CT abdomen · Axial slice 39/122 · soft-tissue window · 512x512 px · acquired on SOMATOM Force
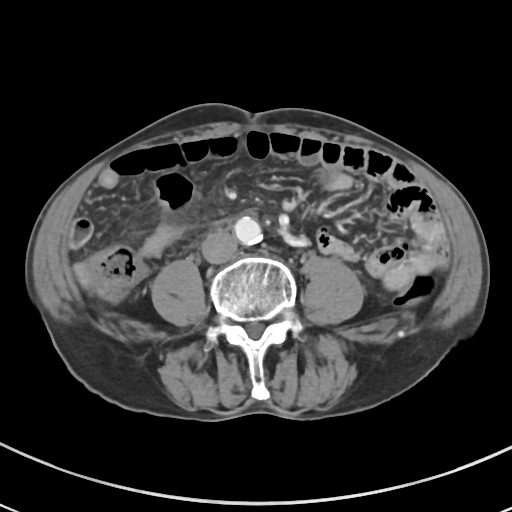 Box edges are left/top/right/bottom in pixels.
Organ bounding boxes:
- aorta: left=234, top=216, right=262, bottom=245
- inferior vena cava: left=201, top=230, right=237, bottom=263